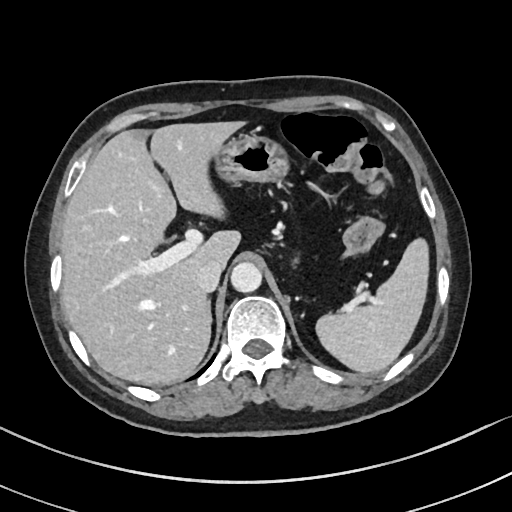 CT, abdomen/pelvis — axial view — scan has 14 labeled organs (a whole-scan count: organs this slice does not pass through have no box)
Coordinates as <box>x1,y1,x2,y2</box> in pixels.
Organ bounding boxes:
- liver: <box>60,121,245,384</box>
- stomach: <box>218,136,287,183</box>
- spleen: <box>315,239,427,374</box>
- aorta: <box>231,262,262,293</box>
- inferior vena cava: <box>197,261,223,292</box>